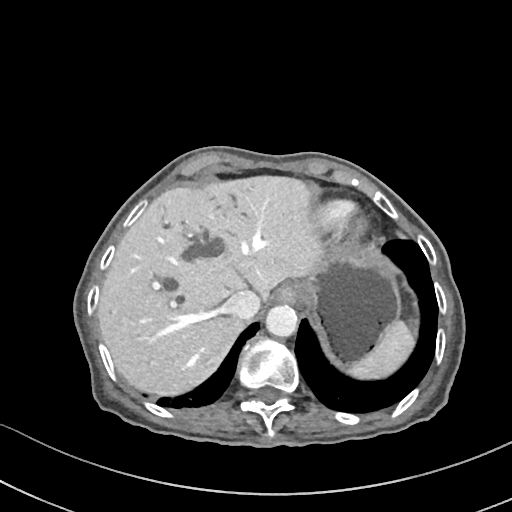
CT, abdomen/pelvis; axial plane, index 200; soft-tissue window; acquired on SOMATOM Force; 15 organs annotated in this scan (a whole-scan count: organs this slice does not pass through have no box)
Boxes: x1:y1:x2:y2 in pixels.
Organ bounding boxes:
- spleen: 344:320:416:378
- esophagus: 275:283:298:302
- liver: 97:174:320:396
- stomach: 295:243:401:366
- aorta: 265:304:297:336
- inferior vena cava: 223:290:260:320